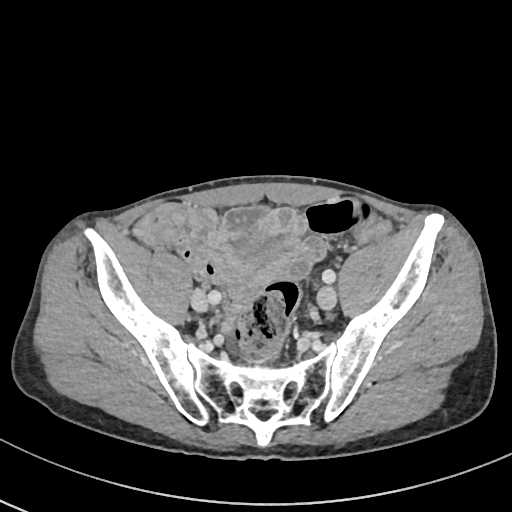

CT abdomen. axial plane, index 69
Box edges are left/top/right/bottom in pixels. Labeled organs on this slice: bladder at left=237, top=236, right=278, bottom=264.